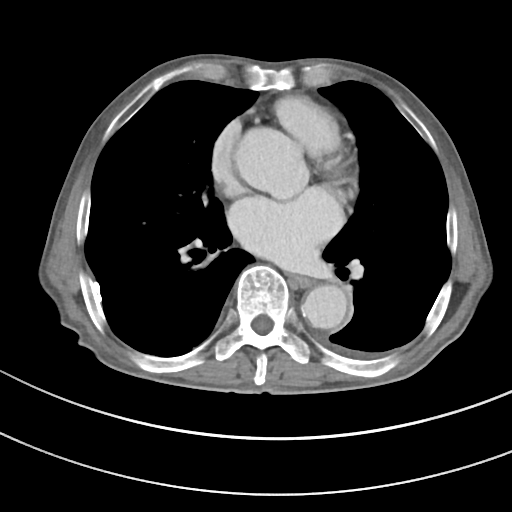
Chest-level CT slice, above the liver and spleen; axial plane, index 86; 512x512 px; acquired on SOMATOM Force
On a slice this high in the chest, this dataset labels only the esophagus and the aorta, and each is boxed only where it is labeled; the heart, lungs and other chest structures are not labeled.
Coordinates as <box>x1,y1,x2,y2</box> in pixels.
aorta: <box>301,285,347,329</box>
esophagus: <box>289,275,311,287</box>